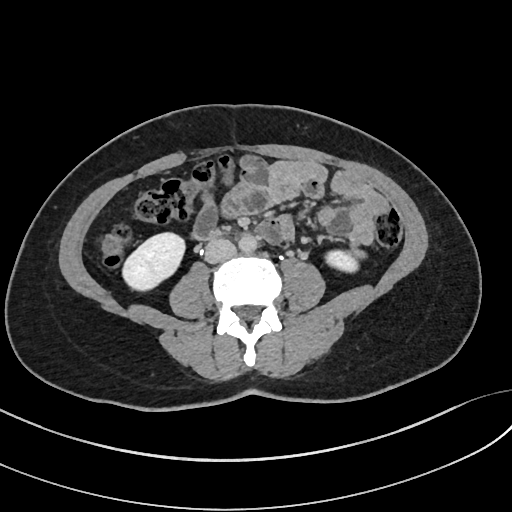 CT abdomen · axial view · 512x512 px
Box edges are left/top/right/bottom in pixels. 5 labeled organs on this slice — left kidney at left=326, top=250, right=358, bottom=272; inferior vena cava at left=204, top=239, right=235, bottom=263; aorta at left=239, top=235, right=256, bottom=253; duodenum at left=208, top=229, right=221, bottom=237; right kidney at left=121, top=232, right=183, bottom=290.